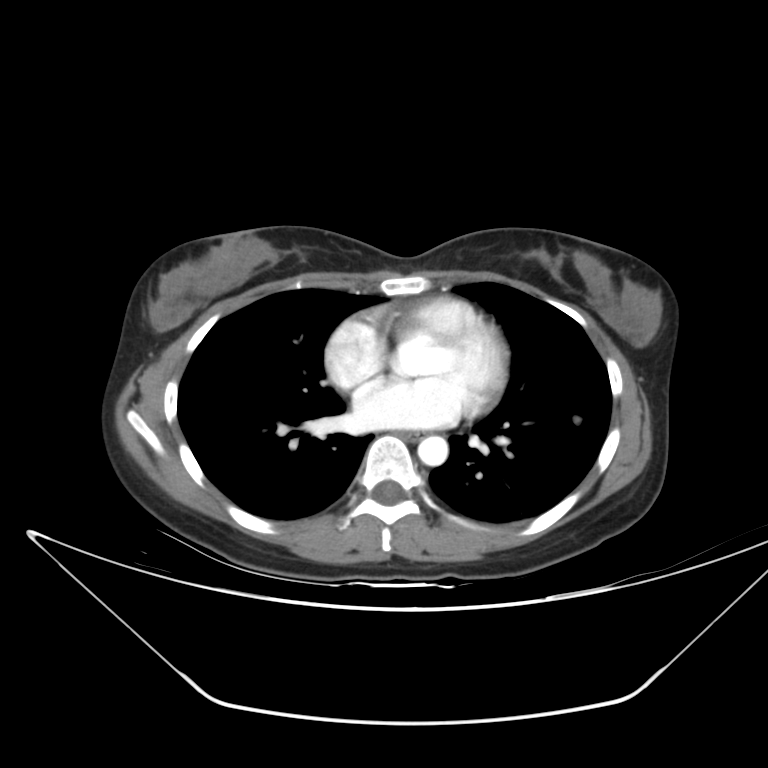

Abdominal CT; this slice is in the lower chest, just above the liver; axial view; W/L 400/40 HU; 768x768 px; 34-year-old female patient; Brilliance16 scanner
No part of the heart or lungs is labeled in this dataset, so neither has a box here. Boxes are (x1, y1, x2, y2) in pixels. 2 labeled organs on this slice — esophagus at (399, 431, 424, 440); aorta at (418, 436, 448, 466).